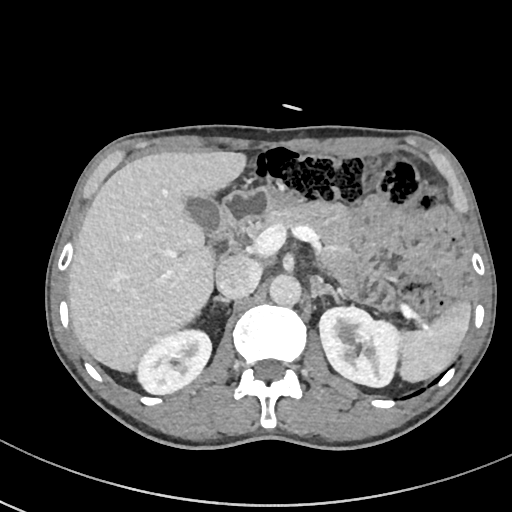
CT, abdomen/pelvis. Axial slice 157/306. W/L 400/40 HU. 512x512 px
One row per box, in pixels: columns x1 and y1 give the top-left corner, x2 and y2 the bottom-right.
| organ | x1 | y1 | x2 | y2 |
|---|---|---|---|---|
| spleen | 399 | 301 | 470 | 382 |
| right kidney | 137 | 330 | 211 | 394 |
| left kidney | 319 | 306 | 399 | 387 |
| gall bladder | 185 | 196 | 223 | 236 |
| liver | 68 | 150 | 246 | 372 |
| stomach | 272 | 190 | 300 | 202 |
| aorta | 269 | 274 | 301 | 306 |
| inferior vena cava | 215 | 255 | 260 | 298 |
| pancreas | 246 | 202 | 357 | 294 |
| right adrenal gland | 213 | 296 | 229 | 303 |
| left adrenal gland | 316 | 277 | 342 | 302 |
| duodenum | 209 | 186 | 276 | 257 |